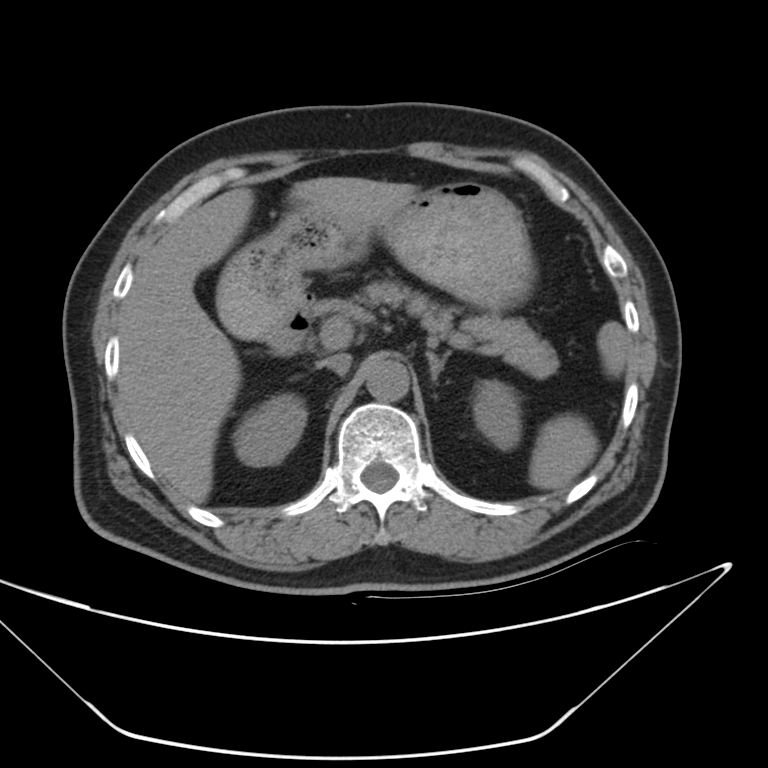
Abdominal CT — axial plane, index 75 — abdomen soft-tissue window
Boxes are (x1, y1, x2, y2) in pixels. The annotated organs in this slice are: spleen at (531, 322, 627, 490), right kidney at (234, 395, 308, 467), left kidney at (472, 379, 522, 447), liver at (119, 179, 414, 504), stomach at (215, 181, 533, 335), aorta at (366, 356, 408, 401), inferior vena cava at (325, 354, 352, 374), pancreas at (365, 282, 554, 375), left adrenal gland at (426, 352, 450, 384), duodenum at (269, 295, 314, 354).